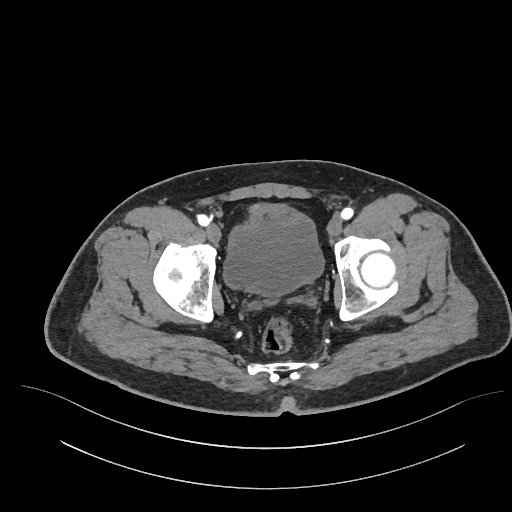
Computed tomography, abdomen · axial plane, index 46 · soft-tissue window (W 400 / L 40) · 512x512 px · 15 organs annotated in this scan (that count is for the whole scan; organs this slice misses have no box)
Box edges are left/top/right/bottom in pixels. 1 labeled organ on this slice — bladder at left=223, top=205, right=323, bottom=294.